Computed tomography, abdomen; axial view; soft-tissue window; 512x512 px
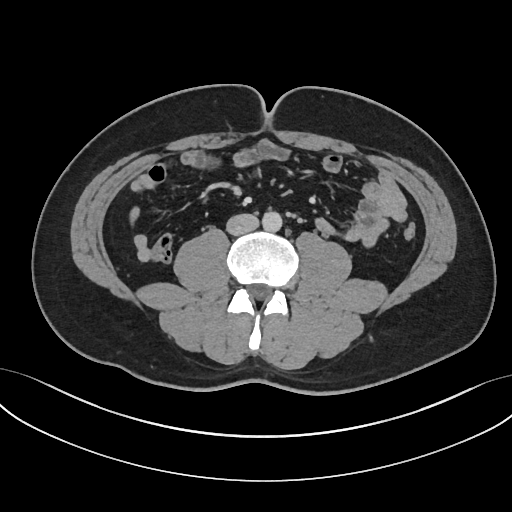 Box edges are left/top/right/bottom in pixels. Labeled organs on this slice: aorta at left=262, top=211, right=282, bottom=232, inferior vena cava at left=226, top=213, right=258, bottom=235.